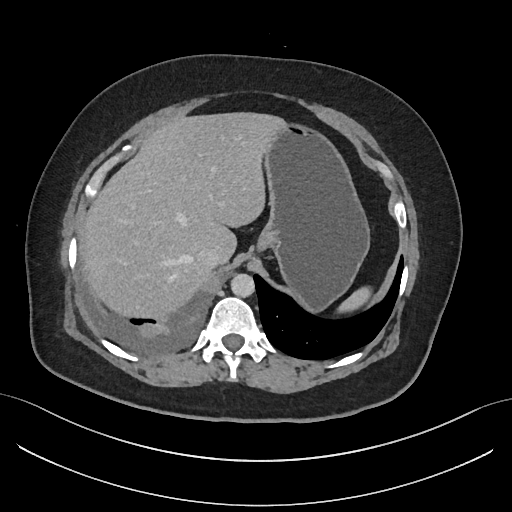
CT abdomen. axial view. 512x512 px. 15 organs annotated in this scan (a whole-scan count: organs this slice does not pass through have no box)
<organs><organ name="spleen" x1="338" y1="289" x2="369" y2="312"/><organ name="liver" x1="82" y1="113" x2="283" y2="316"/><organ name="stomach" x1="256" y1="122" x2="369" y2="310"/><organ name="aorta" x1="230" y1="273" x2="254" y2="297"/><organ name="inferior vena cava" x1="196" y1="246" x2="221" y2="267"/></organs>